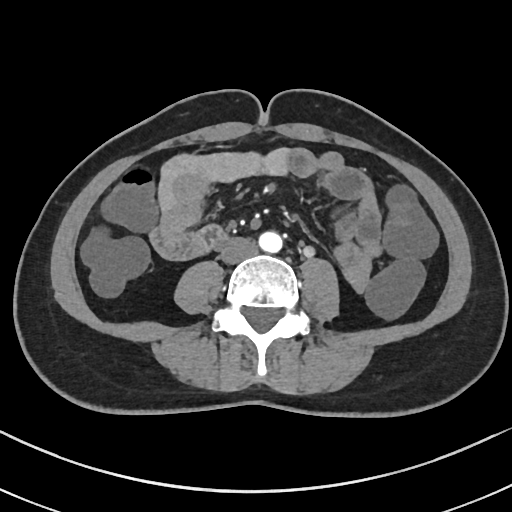
Computed tomography, abdomen · axial view · abdomen soft-tissue window · acquired on SOMATOM Force
{"organs":{"inferior vena cava":[220,237,257,263],"aorta":[259,231,282,252],"duodenum":[199,224,227,249]}}